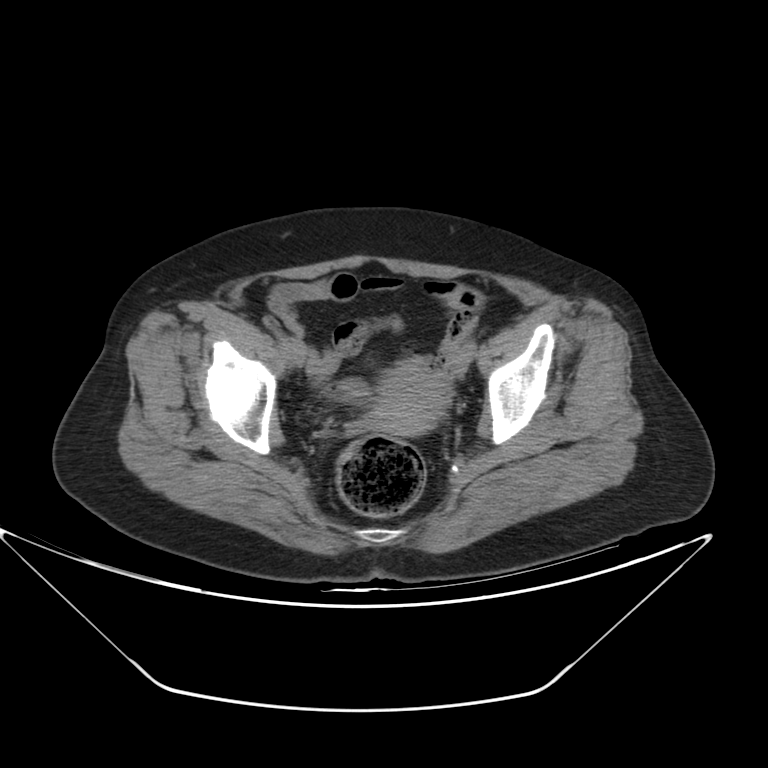

CT abdomen — axial view — abdomen soft-tissue window
Box edges are left/top/right/bottom in pixels. The annotated organs in this slice are: prostate/uterus at left=368, top=366, right=451, bottom=436.